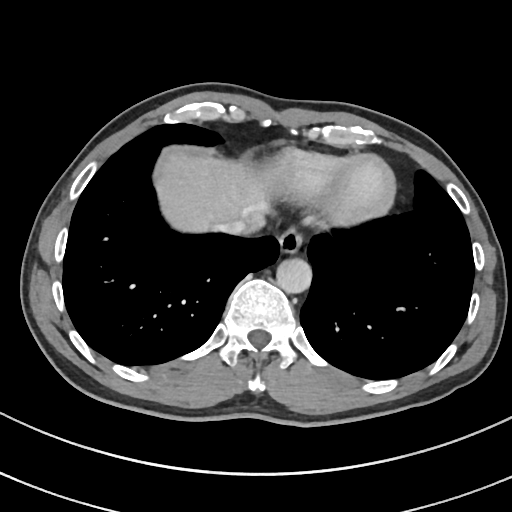 CT abdomen · axial view · soft-tissue window · acquired on SOMATOM Force
{"organs":{"esophagus":[278,228,302,254],"liver":[155,153,271,236],"aorta":[276,258,312,293],"inferior vena cava":[218,221,244,235]}}